Computed tomography, abdomen — axial view — soft-tissue window — 512x512 px
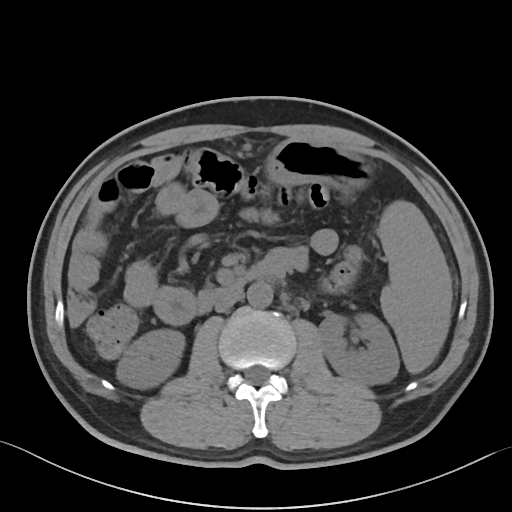

One row per box, in pixels: columns x1 and y1 give the top-left corner, x2 and y2 the bottom-right.
| organ | x1 | y1 | x2 | y2 |
|---|---|---|---|---|
| spleen | 377 | 200 | 451 | 372 |
| right kidney | 116 | 329 | 184 | 388 |
| left kidney | 319 | 313 | 399 | 384 |
| stomach | 266 | 139 | 371 | 189 |
| aorta | 247 | 282 | 273 | 307 |
| inferior vena cava | 215 | 293 | 241 | 312 |
| duodenum | 196 | 250 | 289 | 313 |